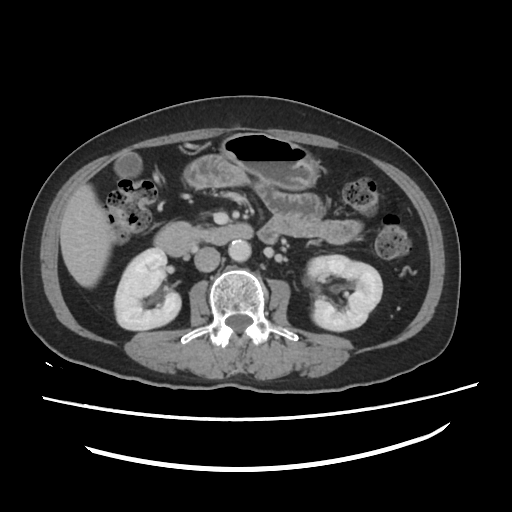 Abdominal CT — Axial slice 57/128 — soft-tissue window (W 400 / L 40) — 61-year-old female patient
Boxes are (x1, y1, x2, y2) in pixels.
right kidney: (115, 248, 181, 331)
left kidney: (306, 254, 382, 331)
gall bladder: (116, 154, 141, 177)
liver: (59, 184, 111, 287)
stomach: (220, 131, 321, 189)
aorta: (228, 240, 250, 260)
inferior vena cava: (193, 246, 219, 272)
duodenum: (154, 221, 253, 254)